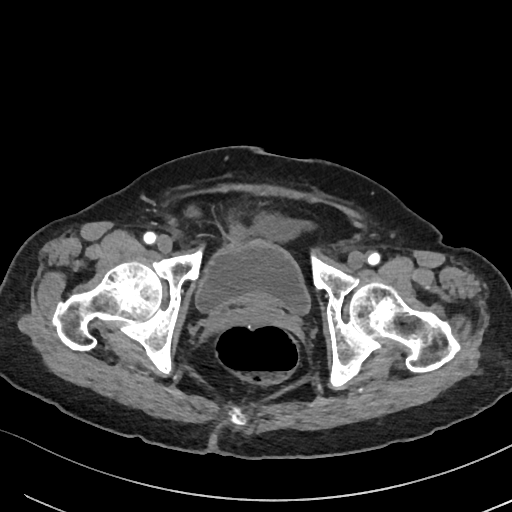

Computed tomography, abdomen; axial view
Box edges are left/top/right/bottom in pixels.
bladder: left=195, top=241, right=310, bottom=313